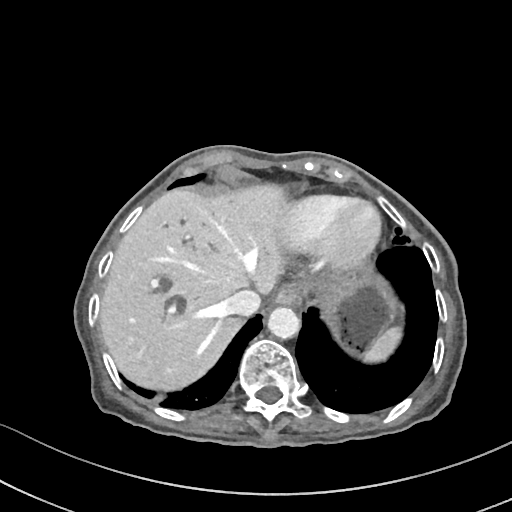
Abdominal CT; Axial slice 204/236; 512x512 px
Each box given as x1,y1,x2,y2.
spleen: x1=365, y1=326, x2=401, y2=360
esophagus: x1=273, y1=285, x2=301, y2=306
liver: x1=100, y1=184, x2=285, y2=391
stomach: x1=319, y1=269, x2=396, y2=350
aorta: x1=268, y1=307, x2=301, y2=339
inferior vena cava: x1=223, y1=288, x2=261, y2=315